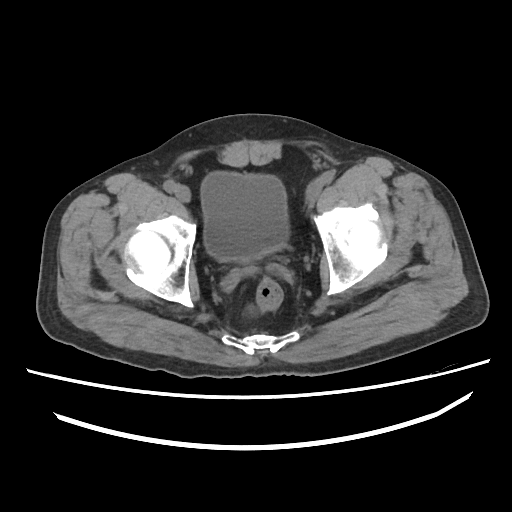 CT, abdomen/pelvis; axial plane, index 26; 48-year-old male patient
{"organs":{"bladder":[200,171,289,260]}}